CT, abdomen/pelvis. axial view. soft-tissue window (W 400 / L 40). 768x768 px. acquired on Brilliance16
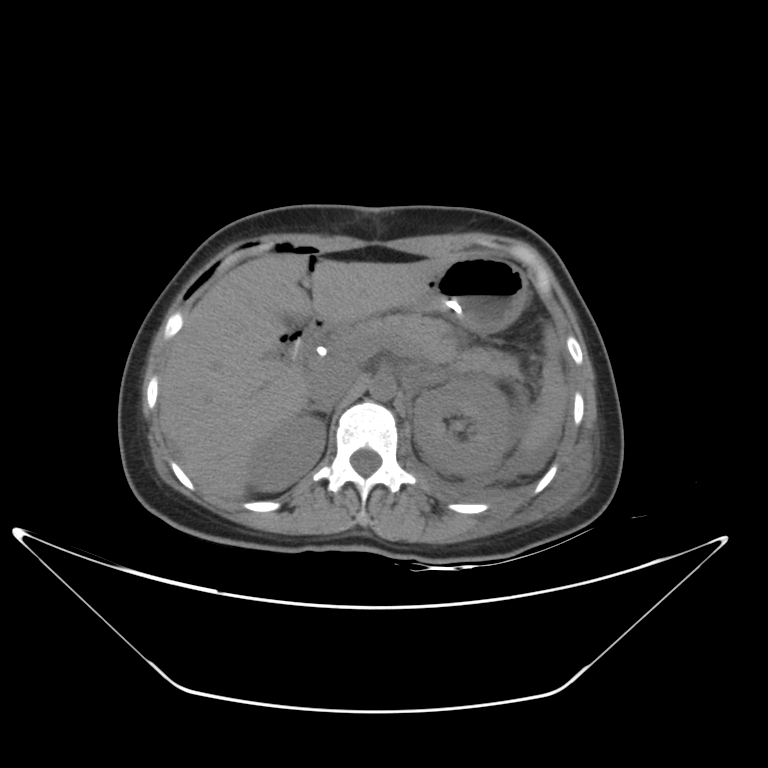
{"organs":{"spleen":[520,326,569,451],"right kidney":[248,414,326,491],"left kidney":[413,377,511,476],"liver":[159,253,455,499],"stomach":[416,256,527,331],"aorta":[370,375,396,400],"inferior vena cava":[308,369,356,404],"pancreas":[340,314,519,380],"right adrenal gland":[307,402,333,417],"left adrenal gland":[329,373,449,414],"duodenum":[290,322,329,356]}}